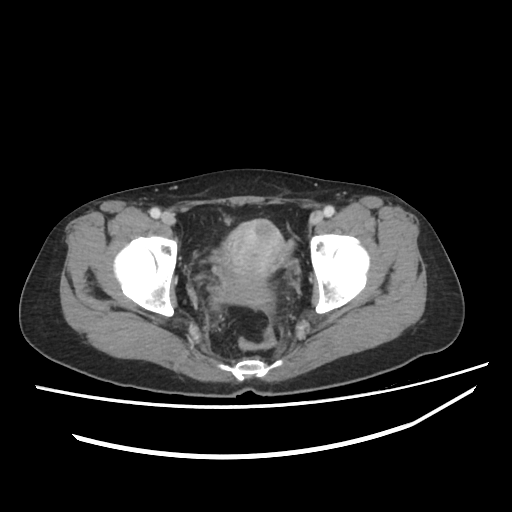
CT abdomen; axial plane, index 15; abdomen soft-tissue window; 512x512 px; 54-year-old female patient; scan has 15 labeled organs (a whole-scan count: organs this slice does not pass through have no box)
Organ boxes in pixel coordinates; each row gives the top-left (x1, y1) and bottom-right (x2, y2) corners.
| organ | x1 | y1 | x2 | y2 |
|---|---|---|---|---|
| prostate/uterus | 220 | 219 | 288 | 305 |